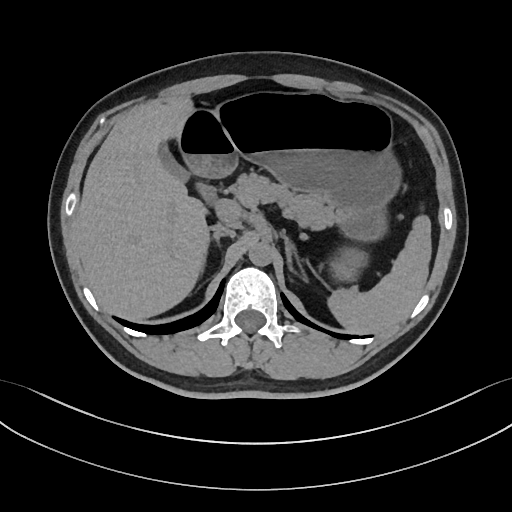
CT, abdomen/pelvis. axial view. 512x512 px
Bounding boxes in pixels, one row per box: x1, y1 is the top-left corner and x2, y2 the bottom-right.
| organ | x1 | y1 | x2 | y2 |
|---|---|---|---|---|
| spleen | 328 | 216 | 431 | 333 |
| gall bladder | 158 | 142 | 189 | 181 |
| liver | 75 | 97 | 210 | 320 |
| stomach | 177 | 93 | 401 | 280 |
| aorta | 248 | 241 | 272 | 266 |
| inferior vena cava | 210 | 223 | 235 | 237 |
| pancreas | 231 | 173 | 337 | 229 |
| right adrenal gland | 213 | 236 | 220 | 241 |
| left adrenal gland | 281 | 232 | 295 | 272 |
| duodenum | 199 | 185 | 215 | 200 |